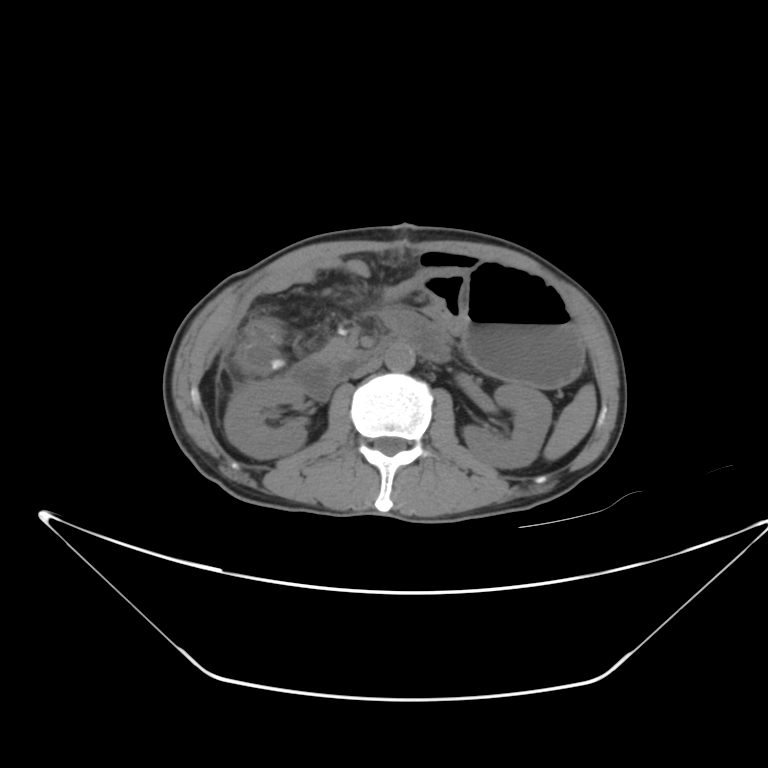
CT abdomen; Axial slice 56/96; W/L 400/40 HU; 51-year-old male patient
Boxes: x1:y1:x2:y2 in pixels.
Organ bounding boxes:
- spleen: 545:385:593:461
- aorta: 380:345:414:373
- inferior vena cava: 350:358:382:378
- left kidney: 463:386:550:469
- pancreas: 314:339:360:361
- stomach: 422:265:583:387
- right kidney: 225:380:304:457
- duodenum: 287:331:433:403